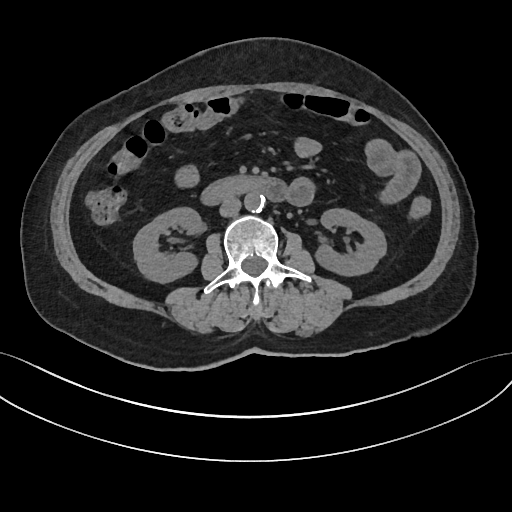
Abdominal CT. axial view. soft-tissue window (W 400 / L 40)
Organ boxes in pixel coordinates; each row gives the top-left (x1, y1) and bottom-right (x2, y2) corners.
| organ | x1 | y1 | x2 | y2 |
|---|---|---|---|---|
| right kidney | 133 | 206 | 201 | 281 |
| left kidney | 317 | 208 | 386 | 274 |
| aorta | 244 | 192 | 265 | 211 |
| inferior vena cava | 219 | 196 | 241 | 216 |
| duodenum | 203 | 177 | 284 | 203 |